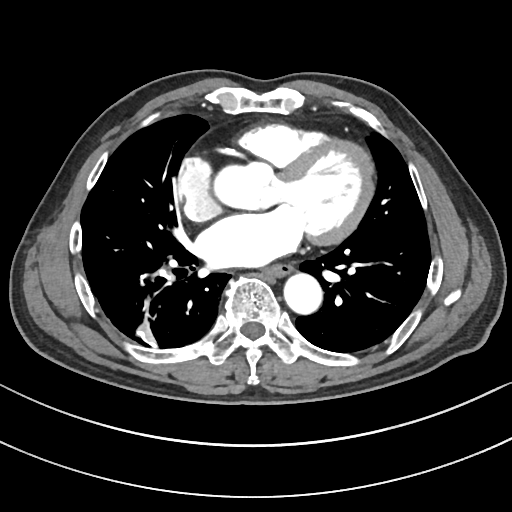 CT of the abdomen reaching into the lower chest, slice just above the liver and spleen. axial view
No part of the heart or lungs is labeled in this dataset, so neither has a box here.
Boxes: x1 y1 x2 y2 (pixel coords, space-separated).
Organ bounding boxes:
- aorta: 284 274 322 315
- esophagus: 266 265 292 278